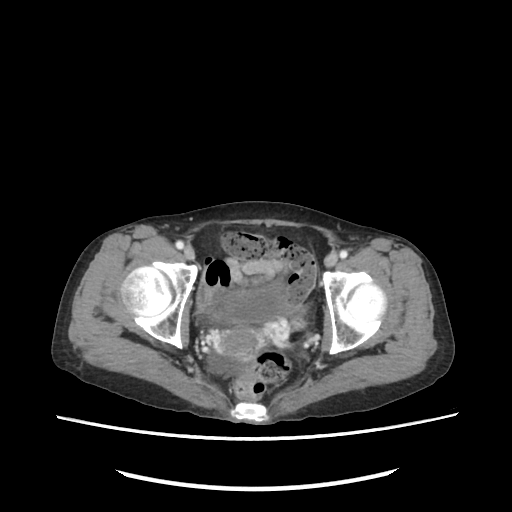
Abdominal CT. axial plane, index 21. soft-tissue window (W 400 / L 40). 15 organs annotated in this scan (counted over the whole 3D scan, not this slice; an organ is boxed only where this slice passes through it)
<organs><organ name="prostate/uterus" x1="213" y1="328" x2="265" y2="358"/><organ name="bladder" x1="214" y1="290" x2="284" y2="326"/></organs>